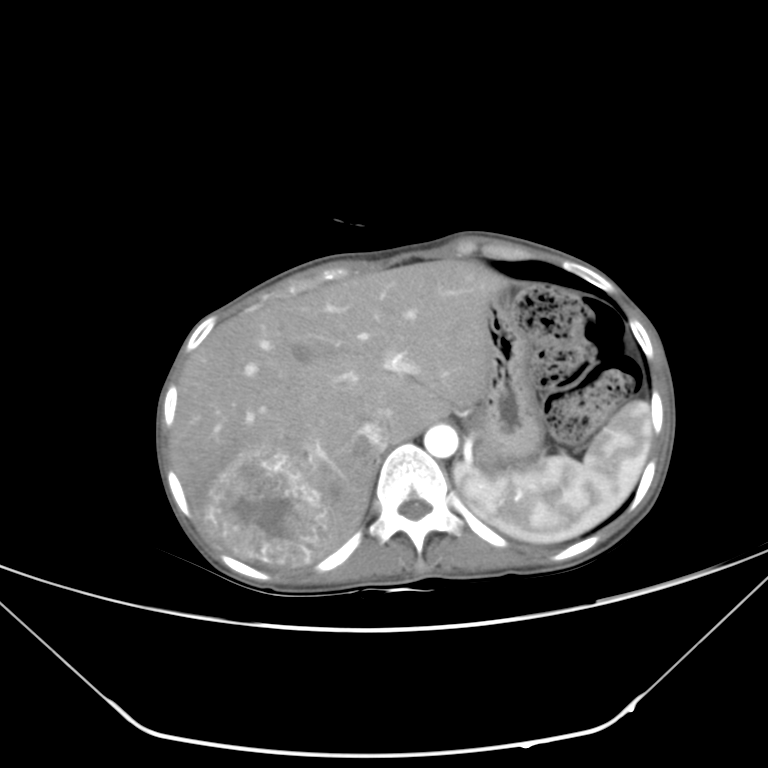
CT, abdomen/pelvis. Axial slice 76/89. 32-year-old female patient. Brilliance16 scanner
<organs><organ name="spleen" x1="453" y1="401" x2="651" y2="543"/><organ name="liver" x1="171" y1="260" x2="506" y2="568"/><organ name="stomach" x1="463" y1="291" x2="544" y2="472"/><organ name="aorta" x1="424" y1="424" x2="457" y2="457"/><organ name="inferior vena cava" x1="356" y1="420" x2="388" y2="453"/></organs>